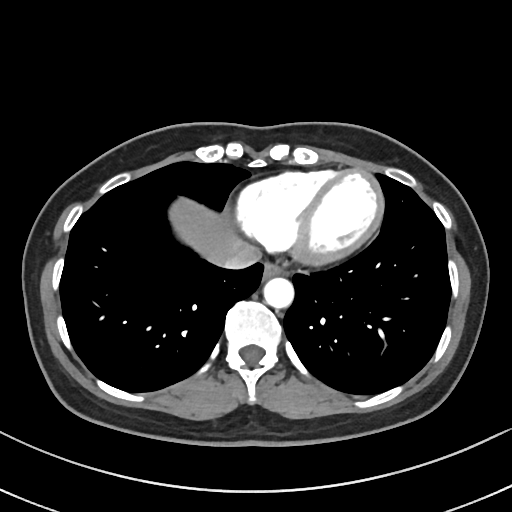
Computed tomography, abdomen. axial view. W/L 400/40 HU. 512x512 px. acquired on SOMATOM Force
{"organs":{"esophagus":[262,263,284,279],"liver":[169,198,235,255],"aorta":[264,278,294,308],"inferior vena cava":[210,242,260,269]}}